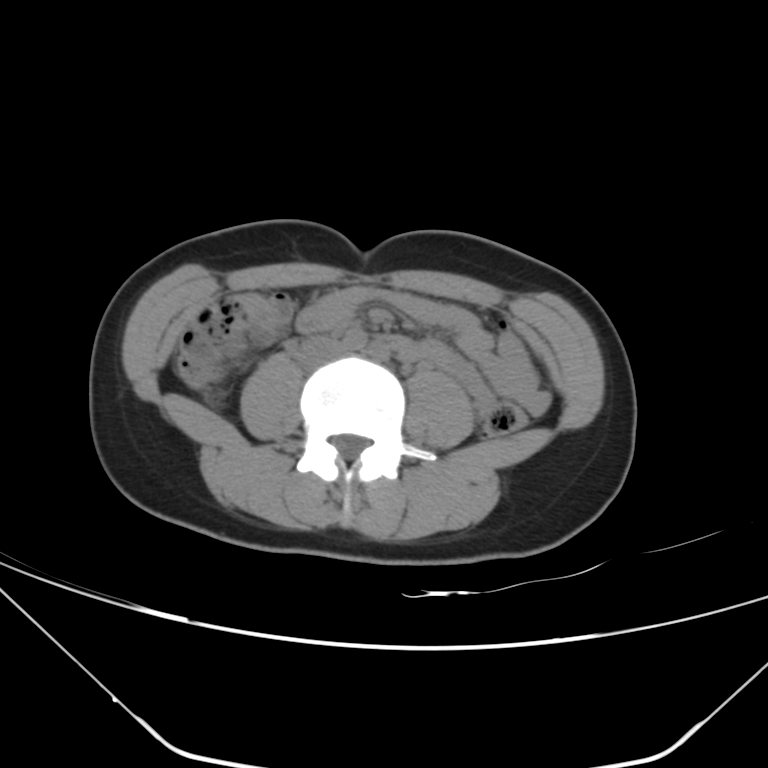
CT abdomen — axial plane, index 37 — abdomen soft-tissue window — Brilliance16 scanner
Boxes: x1:y1:x2:y2 in pixels. The annotated organs in this slice are: inferior vena cava at 297:335:344:368.